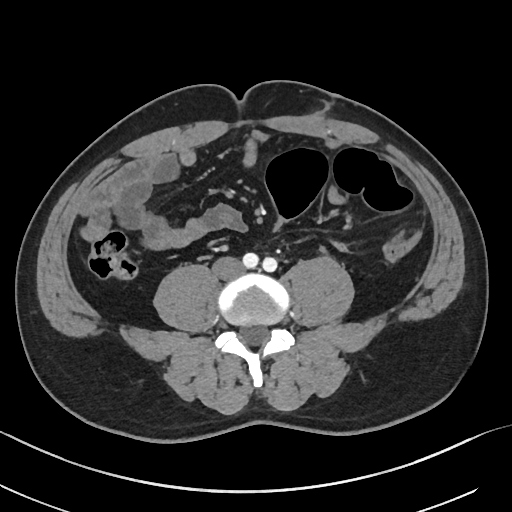
CT, abdomen/pelvis — axial plane, index 108
Bounding boxes as [x1, y1, x2, y2] in pixel coordinates. 1 labeled organ on this slice — inferior vena cava at [212, 256, 244, 279].